Chest-level CT slice, above the liver and spleen; axial view; SOMATOM Force scanner
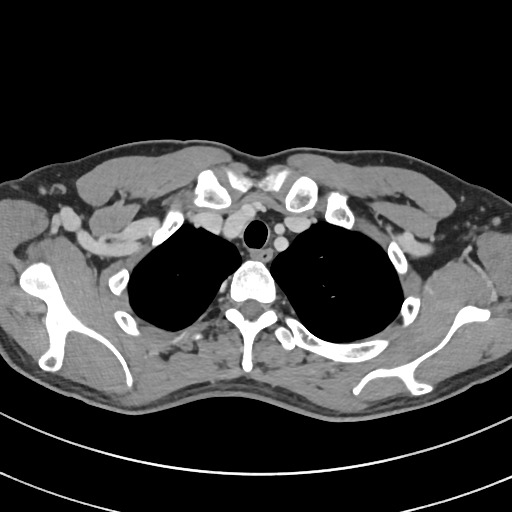
At this level of the chest this dataset labels only the esophagus and the aorta, and each is boxed only where it is labeled; the heart and lungs are never labeled.
Bounding boxes as [x1, y1, x2, y2] in pixel coordinates.
esophagus: [251, 247, 272, 260]